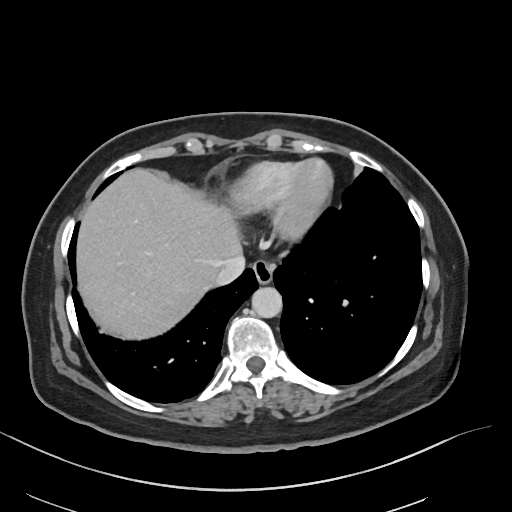

CT, abdomen/pelvis; Axial slice 212/244; abdomen soft-tissue window; 512x512 px
One row per box, in pixels: columns x1 and y1 give the top-left corner, x2 and y2 the bottom-right.
| organ | x1 | y1 | x2 | y2 |
|---|---|---|---|---|
| esophagus | 253 | 259 | 274 | 283 |
| liver | 75 | 168 | 242 | 339 |
| aorta | 251 | 287 | 282 | 317 |
| inferior vena cava | 214 | 255 | 245 | 287 |